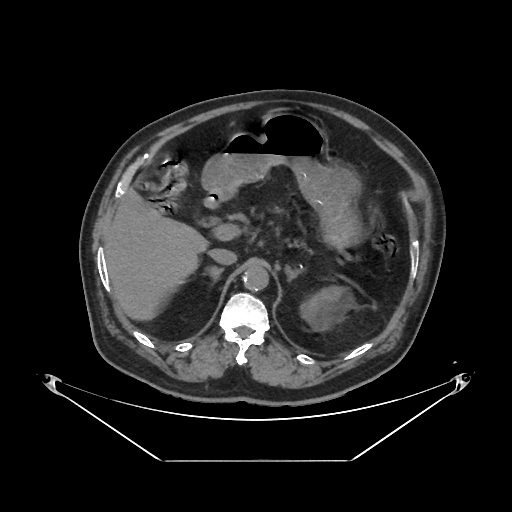
CT abdomen. axial view
<organs><organ name="left kidney" x1="300" y1="286" x2="343" y2="332"/><organ name="liver" x1="105" y1="188" x2="208" y2="320"/><organ name="stomach" x1="201" y1="113" x2="365" y2="249"/><organ name="aorta" x1="243" y1="265" x2="268" y2="290"/><organ name="inferior vena cava" x1="208" y1="248" x2="236" y2="264"/><organ name="pancreas" x1="270" y1="205" x2="283" y2="213"/><organ name="right adrenal gland" x1="203" y1="266" x2="223" y2="282"/><organ name="left adrenal gland" x1="285" y1="265" x2="301" y2="281"/><organ name="duodenum" x1="203" y1="192" x2="224" y2="208"/></organs>